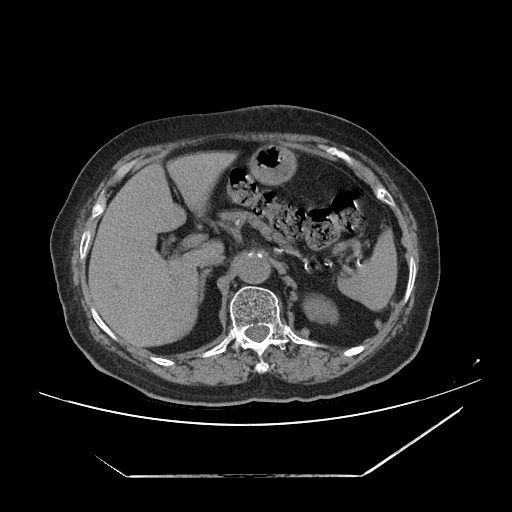

CT, abdomen/pelvis · axial plane, index 125 · 512x512 px
Bounding boxes in pixels, one row per box: x1, y1 is the top-left corner and x2, y2 the bottom-right.
| organ | x1 | y1 | x2 | y2 |
|---|---|---|---|---|
| spleen | 336 | 233 | 396 | 311 |
| left kidney | 305 | 297 | 335 | 320 |
| liver | 88 | 151 | 239 | 348 |
| stomach | 250 | 145 | 295 | 185 |
| aorta | 237 | 254 | 272 | 284 |
| inferior vena cava | 200 | 254 | 224 | 268 |
| pancreas | 221 | 210 | 286 | 244 |
| right adrenal gland | 200 | 270 | 211 | 300 |